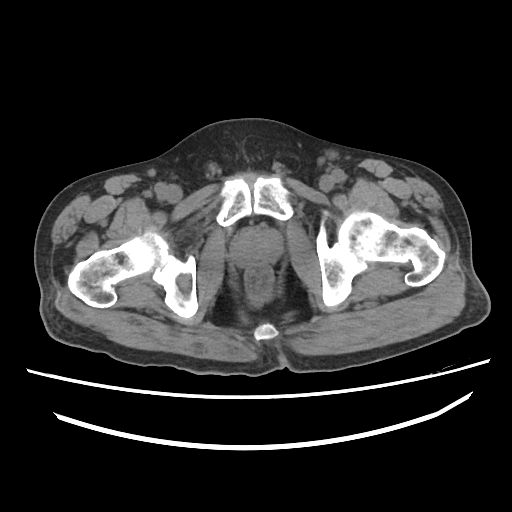 Abdominal CT. Axial slice 20/95. 512x512 px. 15 organs annotated in this scan (a whole-scan count: organs this slice does not pass through have no box)
{"organs":{"prostate/uterus":[232,229,280,266]}}